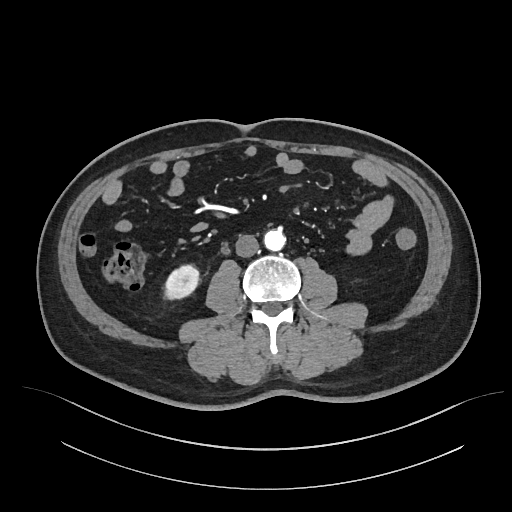 CT abdomen · axial view · soft-tissue window
One row per box, in pixels: columns x1 and y1 give the top-left corner, x2 and y2 the bottom-right.
| organ | x1 | y1 | x2 | y2 |
|---|---|---|---|---|
| inferior vena cava | 235 | 235 | 259 | 257 |
| aorta | 264 | 229 | 285 | 251 |
| right kidney | 164 | 266 | 199 | 301 |